CT abdomen; axial plane, index 56; 59-year-old male patient; scan has 15 labeled organs (that count is for the whole scan; organs this slice misses have no box)
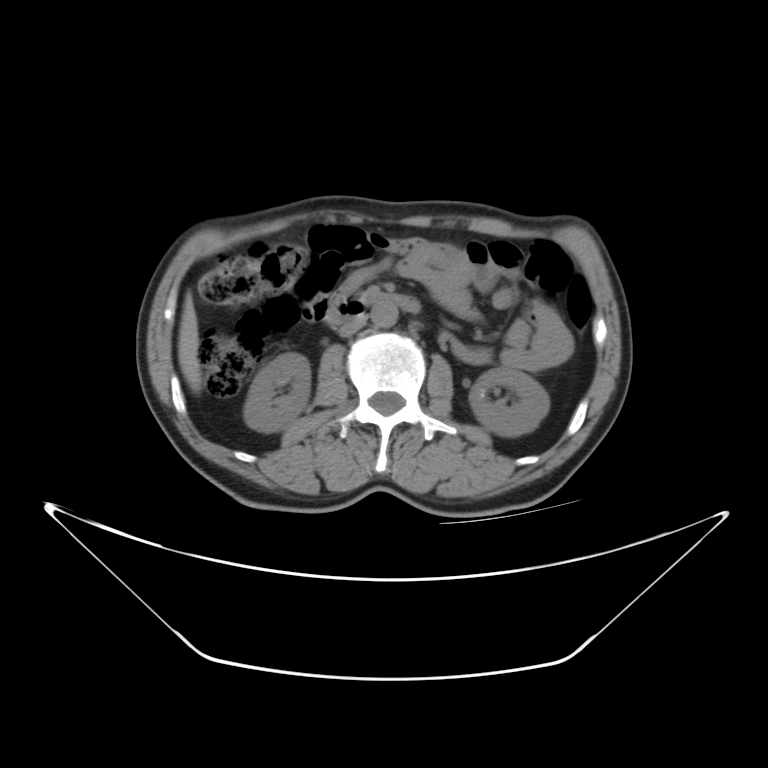

Boxes are (x1, y1, x2, y2) in pixels. Labeled organs on this slice: duodenum at (324, 293, 420, 325), left kidney at (469, 369, 550, 434), liver at (176, 291, 200, 391), right kidney at (244, 354, 312, 431), inferior vena cava at (339, 311, 370, 335), aorta at (369, 304, 400, 327).